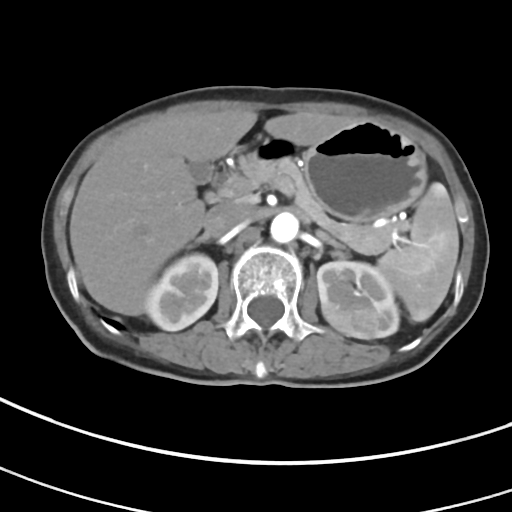 Computed tomography, abdomen — axial view — 512x512 px
{"organs":{"spleen":[378,182,458,322],"right kidney":[145,254,218,330],"left kidney":[317,261,399,339],"gall bladder":[189,162,213,183],"liver":[69,109,350,315],"stomach":[303,120,426,221],"aorta":[270,212,299,242],"inferior vena cava":[203,202,251,237],"pancreas":[238,153,409,254],"right adrenal gland":[195,235,208,243],"left adrenal gland":[315,229,344,249]}}